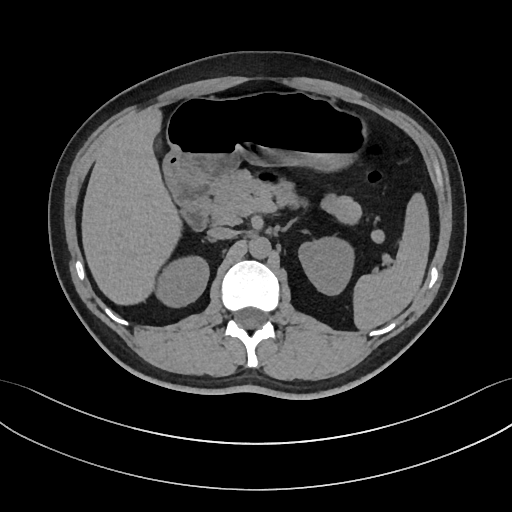 Abdominal CT · axial view · scan has 15 labeled organs (counted over the whole 3D scan, not this slice; an organ is boxed only where this slice passes through it)
Boxes are (x1, y1, x2, y2) in pixels.
right kidney: (155, 257, 208, 306)
pancreas: (211, 170, 361, 224)
duodenum: (170, 179, 214, 229)
stomach: (165, 90, 367, 184)
left kidney: (299, 238, 353, 294)
inferior vena cava: (208, 227, 236, 239)
aorta: (249, 237, 270, 259)
left adrenal gland: (280, 221, 295, 232)
liver: (80, 107, 180, 304)
spleen: (353, 193, 430, 330)